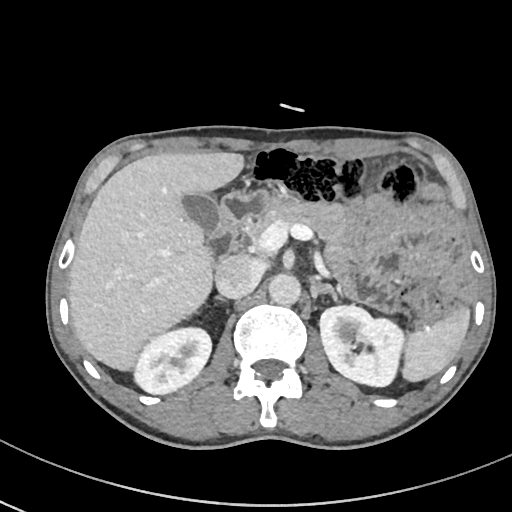

Computed tomography, abdomen; Axial slice 156/306
Coordinates as <box>x1,y1,x2,y2</box> in pixels.
Organ bounding boxes:
- inferior vena cava: <box>214,254,260,297</box>
- left adrenal gland: <box>319,283,337,299</box>
- left kidney: <box>320,304,405,386</box>
- liver: <box>69,153,242,368</box>
- gall bladder: <box>180,193,220,235</box>
- aorta: <box>268,272,300,305</box>
- right kidney: <box>131,326,211,394</box>
- pancreas: <box>240,201,350,281</box>
- spleen: <box>402,308,470,381</box>
- duodenum: <box>207,189,270,257</box>